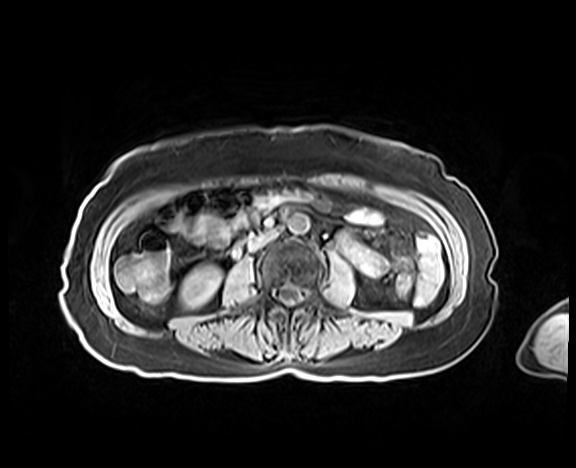 Abdominal MRI · axial plane, index 8 · acquired on Prisma
Each box given as x1,y1,x2,y2. 3 labeled organs on this slice — right kidney at x1=181, y1=265, x2=221, y2=308; aorta at x1=287, y1=213, x2=309, y2=233; inferior vena cava at x1=249, y1=230, x2=277, y2=249.